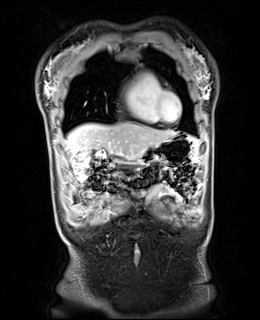 Magnetic resonance imaging, abdomen. coronal acquisition. 260x320 px
Organ boxes in pixel coordinates; each row gives the top-left (x1, y1) and bottom-right (x2, y2) corners.
| organ | x1 | y1 | x2 | y2 |
|---|---|---|---|---|
| liver | 66 | 123 | 177 | 154 |
| stomach | 115 | 135 | 200 | 165 |
| duodenum | 115 | 155 | 118 | 157 |